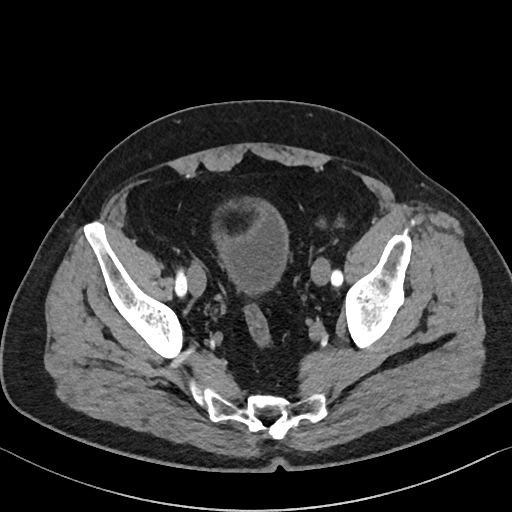
Abdominal CT; axial view; abdomen soft-tissue window
Boxes: x1 y1 x2 y2 (pixel coords, space-separated).
Organ bounding boxes:
- bladder: 216 198 287 293